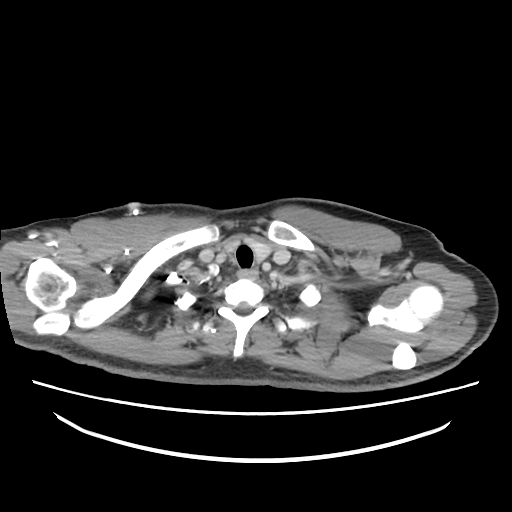
Chest-level slice from an abdominal CT that extends up into the chest; Axial slice 130/133; scan has 15 labeled organs (counted over the whole 3D scan, not this slice; an organ is boxed only where this slice passes through it)
At this level of the chest this dataset labels only the esophagus and the aorta, and each is boxed only where it is labeled; the heart and lungs are never labeled.
Box edges are left/top/right/bottom in pixels.
esophagus: left=236, top=268, right=258, bottom=278